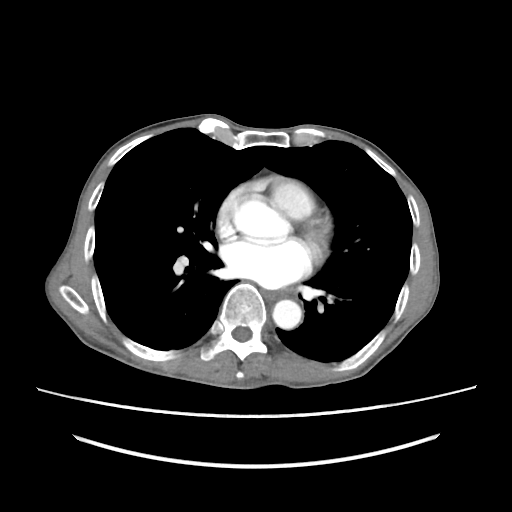 CT of the abdomen extending into the chest, slice through the chest · Axial slice 93/126 · W/L 400/40 HU
At this level of the chest this dataset labels only the esophagus and the aorta, and each is boxed only where it is labeled; the heart and lungs are never labeled.
<organs><organ name="esophagus" x1="264" y1="290" x2="286" y2="299"/><organ name="aorta" x1="272" y1="299" x2="301" y2="329"/><organ name="aorta" x1="260" y1="204" x2="277" y2="217"/></organs>